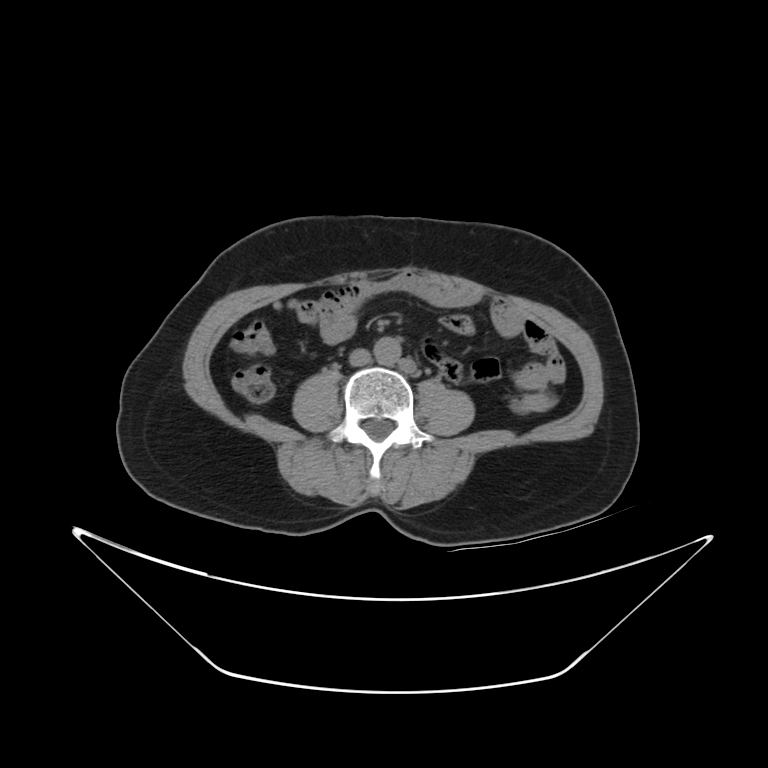 Computed tomography, abdomen; Axial slice 44/91; Brilliance16 scanner
<organs><organ name="aorta" x1="374" y1="335" x2="403" y2="364"/><organ name="inferior vena cava" x1="351" y1="348" x2="368" y2="365"/></organs>